Chest-level slice from an abdominal CT that extends up into the chest. axial view
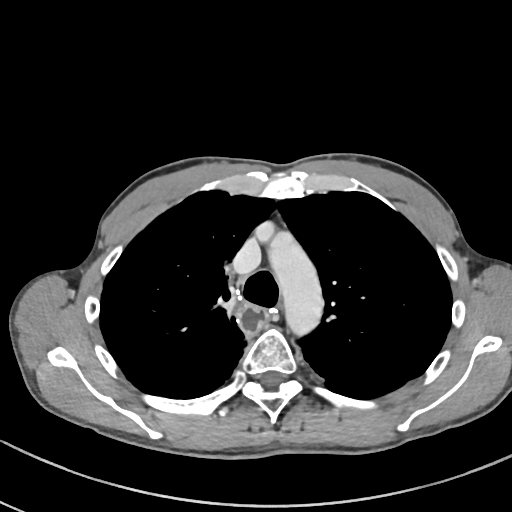

At this level of the chest this dataset labels only the esophagus and the aorta, and each is boxed only where it is labeled; the heart and lungs are never labeled. Boxes: x1 y1 x2 y2 (pixel coords, space-separated). 2 labeled organs on this slice — aorta at 271 235 322 331; esophagus at 236 303 268 333.